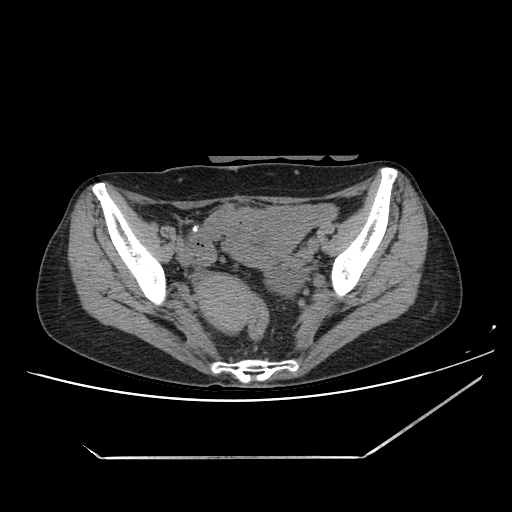

Abdominal CT · axial view · soft-tissue window (W 400 / L 40) · scan has 14 labeled organs (a whole-scan count: organs this slice does not pass through have no box)
Bounding boxes as [x1, y1, x2, y2] in pixel coordinates.
Organ bounding boxes:
- prostate/uterus: [194, 273, 252, 333]